Computed tomography, abdomen; Axial slice 191/333; soft-tissue window; 512x512 px
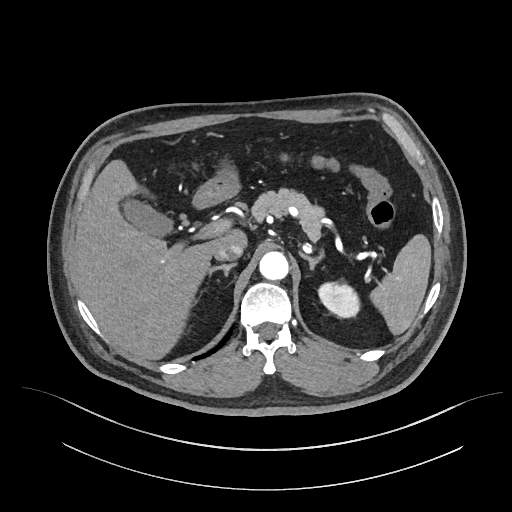

Box edges are left/top/right/bottom in pixels. 10 labeled organs on this slice — spleen at left=367, top=236, right=430, bottom=334; left kidney at left=318, top=284, right=360, bottom=318; gall bladder at left=125, top=201, right=170, bottom=234; liver at left=74, top=161, right=248, bottom=359; stomach at left=195, top=153, right=240, bottom=205; aorta at left=259, top=252, right=288, bottom=280; inferior vena cava at left=214, top=245, right=242, bottom=261; pancreas at left=252, top=190, right=321, bottom=237; right adrenal gland at left=208, top=262, right=236, bottom=277; left adrenal gland at left=300, top=251, right=325, bottom=273.